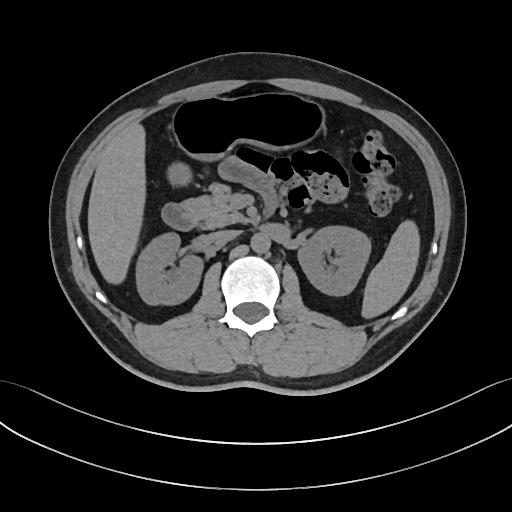
CT abdomen — axial view
Organ boxes in pixel coordinates; each row gives the top-left (x1, y1) and bottom-right (x2, y2) corners.
| organ | x1 | y1 | x2 | y2 |
|---|---|---|---|---|
| right kidney | 137 | 234 | 204 | 306 |
| stomach | 167 | 94 | 327 | 185 |
| duodenum | 162 | 203 | 196 | 230 |
| spleen | 361 | 218 | 421 | 320 |
| liver | 87 | 122 | 146 | 283 |
| aorta | 250 | 233 | 270 | 253 |
| left kidney | 297 | 226 | 369 | 296 |
| inferior vena cava | 210 | 230 | 239 | 242 |
| pancreas | 183 | 181 | 246 | 227 |